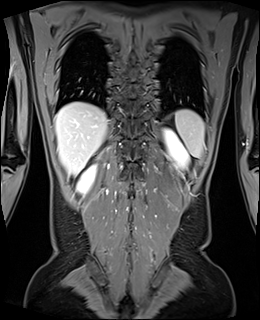
Magnetic resonance imaging, abdomen. coronal acquisition. 1st–99th percentile window
Bounding boxes as [x1, y1, x2, y2] in pixel coordinates.
spleen: [175, 109, 204, 157]
right kidney: [78, 166, 95, 192]
left kidney: [164, 130, 189, 169]
liver: [56, 102, 107, 175]